CT, abdomen/pelvis; axial view; W/L 400/40 HU; 512x512 px
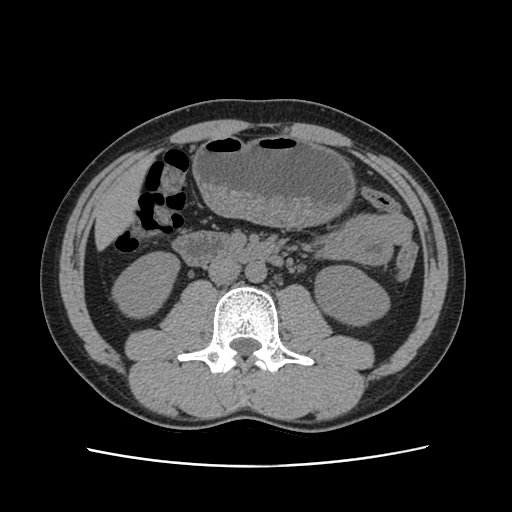 Bounding boxes in pixels, one row per box: x1, y1 is the top-left corner and x2, y2 the bottom-right.
| organ | x1 | y1 | x2 | y2 |
|---|---|---|---|---|
| aorta | 245 | 262 | 266 | 282 |
| inferior vena cava | 208 | 259 | 241 | 284 |
| stomach | 192 | 135 | 354 | 227 |
| liver | 94 | 156 | 153 | 250 |
| right kidney | 112 | 252 | 179 | 317 |
| left kidney | 315 | 265 | 389 | 325 |
| duodenum | 172 | 232 | 282 | 265 |